CT of the abdomen reaching into the lower chest, slice just above the liver and spleen — axial view — soft-tissue window (W 400 / L 40) — 512x512 px — scan has 15 labeled organs (that count is for the whole scan; organs this slice misses have no box)
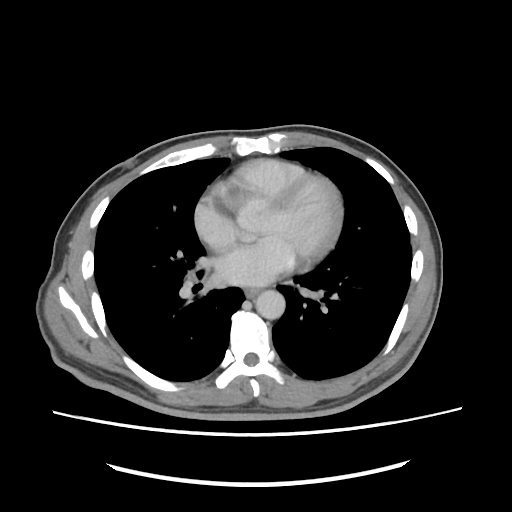

No part of the heart or lungs is labeled in this dataset, so neither has a box here.
{"organs":{"esophagus":[245,288,259,298],"aorta":[255,290,285,319]}}